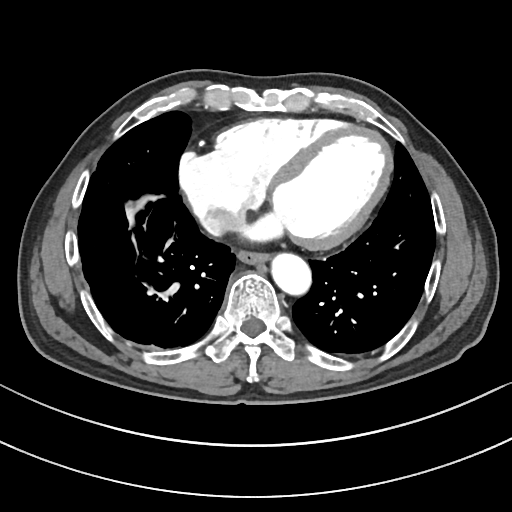 Abdominal CT; this slice is in the lower chest, just above the liver; axial plane, index 193; 512x512 px
Of the structures in the chest, this dataset labels only the esophagus, the aorta and the inferior vena cava; the heart and lungs have no label.
<organs><organ name="esophagus" x1="238" y1="251" x2="269" y2="264"/><organ name="aorta" x1="272" y1="253" x2="311" y2="295"/><organ name="inferior vena cava" x1="201" y1="209" x2="244" y2="234"/></organs>